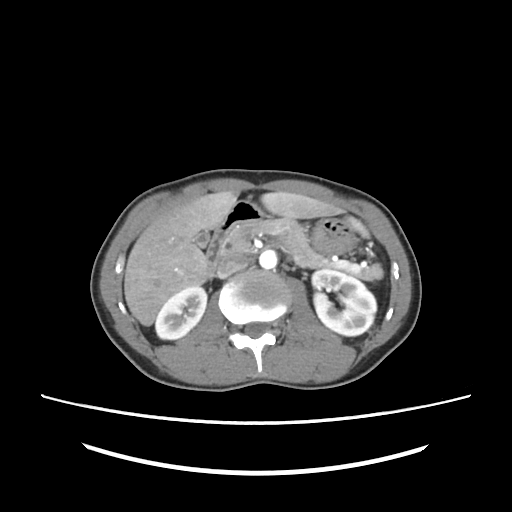
Abdominal CT · Axial slice 56/88 · abdomen soft-tissue window · 512x512 px · acquired on Aquilion ONE
<organs><organ name="spleen" x1="347" y1="217" x2="382" y2="278"/><organ name="right kidney" x1="155" y1="286" x2="206" y2="339"/><organ name="left kidney" x1="312" y1="269" x2="376" y2="336"/><organ name="gall bladder" x1="194" y1="231" x2="209" y2="247"/><organ name="liver" x1="124" y1="191" x2="337" y2="325"/><organ name="stomach" x1="234" y1="201" x2="354" y2="254"/><organ name="aorta" x1="259" y1="250" x2="277" y2="269"/><organ name="inferior vena cava" x1="217" y1="253" x2="249" y2="278"/><organ name="pancreas" x1="228" y1="218" x2="372" y2="280"/><organ name="duodenum" x1="206" y1="203" x2="240" y2="281"/></organs>